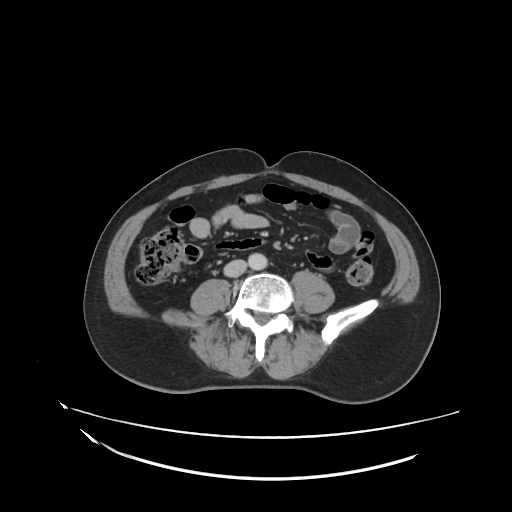
CT, abdomen/pelvis · axial view · soft-tissue window (W 400 / L 40) · 66-year-old male patient
Boxes: x1:y1:x2:y2 in pixels. 2 labeled organs on this slice — aorta at 249:254:267:269; inferior vena cava at 223:260:246:277.